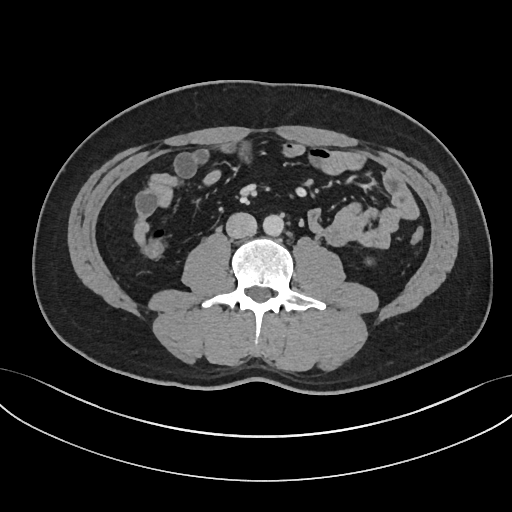
CT, abdomen/pelvis; axial view; soft-tissue window; 512x512 px
Boxes: x1 y1 x2 y2 (pixel coords, space-separated). The annotated organs in this slice are: aorta at 263 214 283 236, inferior vena cava at 226 212 257 238.